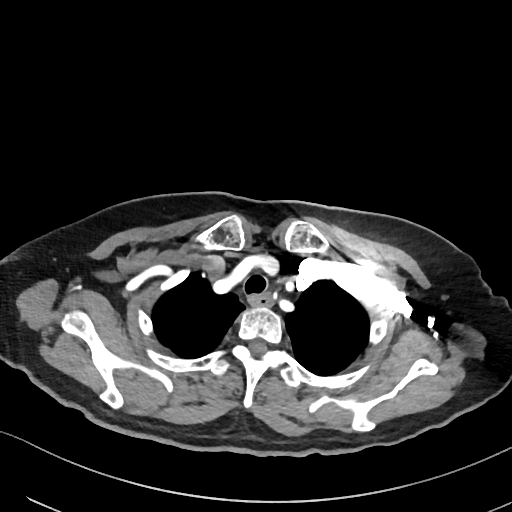 Abdominal CT reaching into the chest; this slice is in the chest · axial view · 512x512 px
At this level of the chest this dataset labels only the esophagus and the aorta, and each is boxed only where it is labeled; the heart and lungs are never labeled. Boxes: x1 y1 x2 y2 (pixel coords, space-separated). Labeled organs on this slice: esophagus at 250 294 271 305.